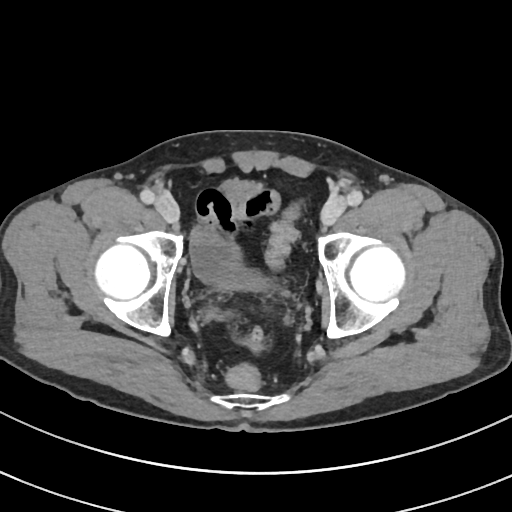 Computed tomography, abdomen; axial view; soft-tissue window; scan has 15 labeled organs (that count is for the whole scan; organs this slice misses have no box)
Boxes are (x1, y1, x2, y2) in pixels.
Organ bounding boxes:
- bladder: (191, 228, 266, 290)